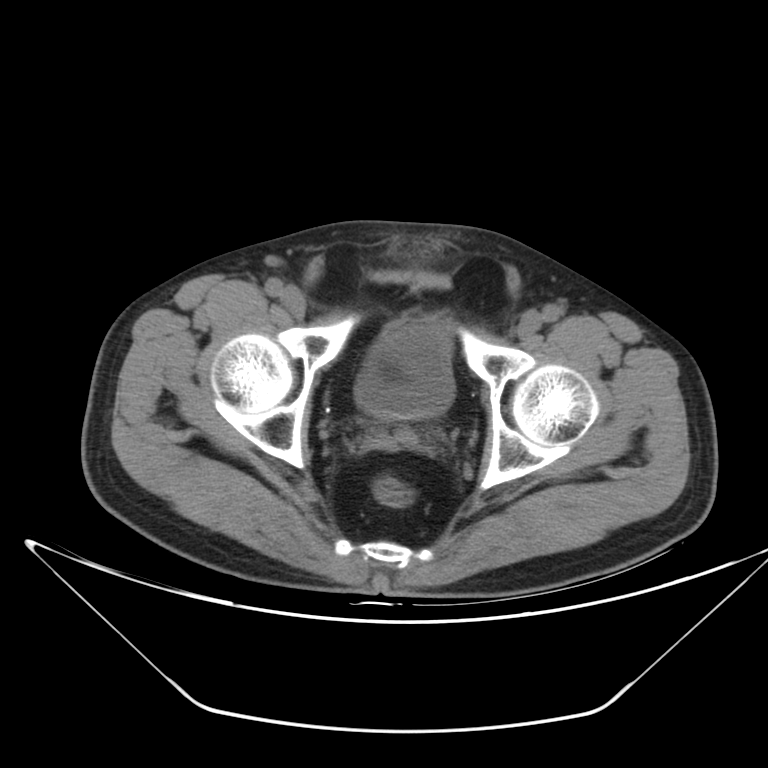
CT, abdomen/pelvis; axial view; soft-tissue window (W 400 / L 40); acquired on Brilliance16
<organs><organ name="bladder" x1="354" y1="323" x2="454" y2="418"/></organs>